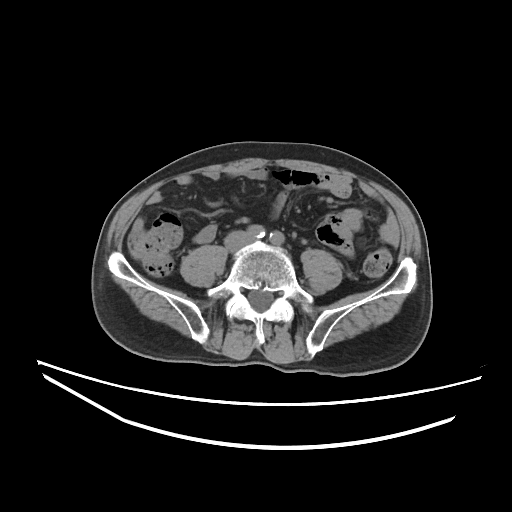
CT abdomen — axial view
Organ boxes in pixel coordinates; each row gives the top-left (x1, y1) and bottom-right (x2, y2) corners.
| organ | x1 | y1 | x2 | y2 |
|---|---|---|---|---|
| inferior vena cava | 225 | 231 | 250 | 249 |